Lower-chest slice from an abdominal CT, just above the liver and spleen — axial plane, index 76 — SOMATOM Force scanner
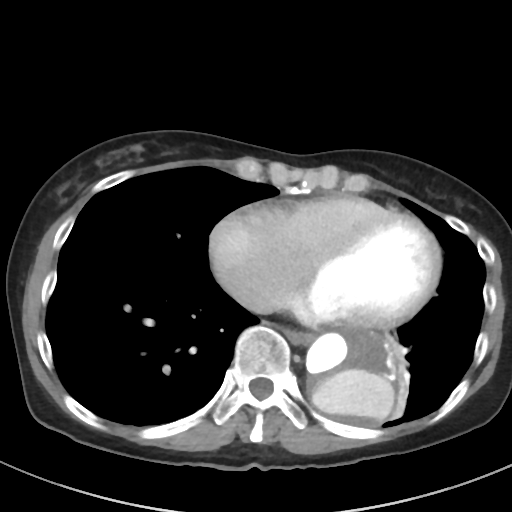
No part of the heart or lungs is labeled in this dataset, so neither has a box here. Boxes: x1:y1:x2:y2 in pixels. The annotated organs in this slice are: aorta at 306:330:398:425, esophagus at 283:328:312:344.